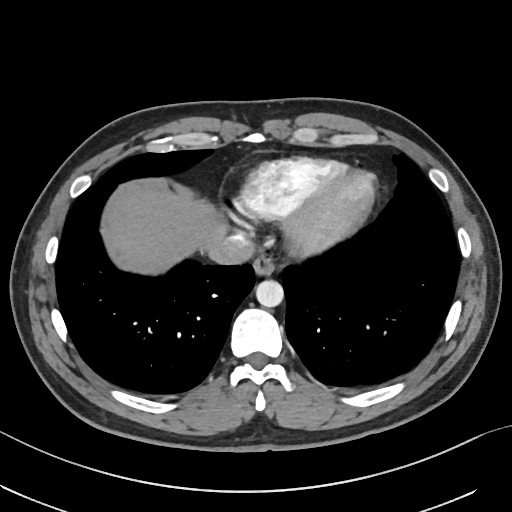
CT, abdomen/pelvis — axial view — soft-tissue window — 512x512 px
<organs><organ name="esophagus" x1="253" y1="253" x2="275" y2="274"/><organ name="liver" x1="111" y1="190" x2="227" y2="270"/><organ name="aorta" x1="255" y1="279" x2="283" y2="306"/><organ name="inferior vena cava" x1="207" y1="235" x2="254" y2="265"/></organs>